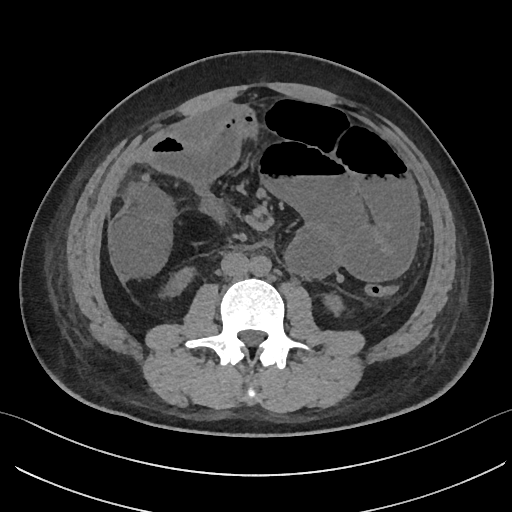 CT abdomen; axial view; SOMATOM Force scanner
Coordinates as <box>x1,y1,x2,y2</box> in pixels.
Organ bounding boxes:
- left kidney: <box>324,294,343,316</box>
- right kidney: <box>165,267,195,296</box>
- inferior vena cava: <box>221,252,249,276</box>
- aorta: <box>250,256,271,276</box>